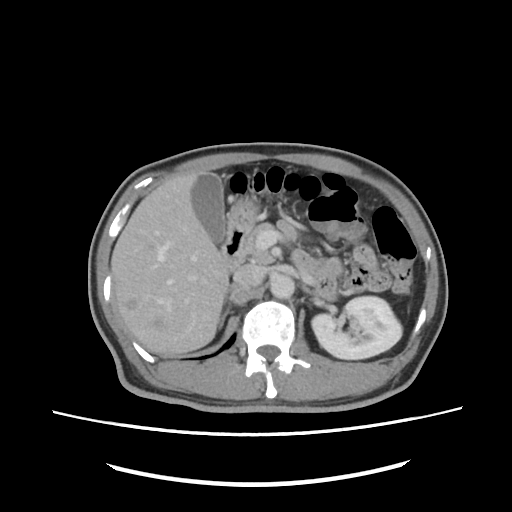
Computed tomography, abdomen — axial view — 54-year-old male patient
Box edges are left/top/right/bottom in pixels. The annotated organs in this slice are: left kidney at left=311, top=296, right=402, bottom=359, gall bladder at left=191, top=172, right=225, bottom=244, liver at left=111, top=171, right=228, bottom=354, stomach at left=228, top=198, right=256, bottom=230, aorta at left=270, top=274, right=294, bottom=298, inferior vena cava at left=233, top=264, right=265, bottom=287, pancreas at left=244, top=223, right=274, bottom=263, right adrenal gland at left=219, top=285, right=237, bottom=327, left adrenal gland at left=301, top=286, right=312, bottom=293, duodenum at left=221, top=225, right=249, bottom=270.